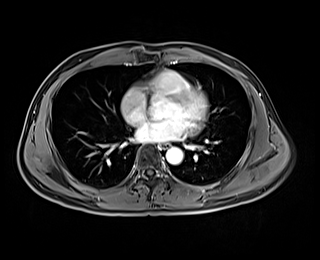

Lower-chest slice from an abdominal MRI, just above the liver and spleen — axial view — 320x260 px
Of the structures in the chest, this dataset labels only the esophagus, the aorta and the inferior vena cava; the heart and lungs have no label.
One row per box, in pixels: columns x1 and y1 give the top-left corner, x2 and y2 the bottom-right.
| organ | x1 | y1 | x2 | y2 |
|---|---|---|---|---|
| aorta | 166 | 147 | 183 | 164 |
| esophagus | 159 | 143 | 169 | 149 |